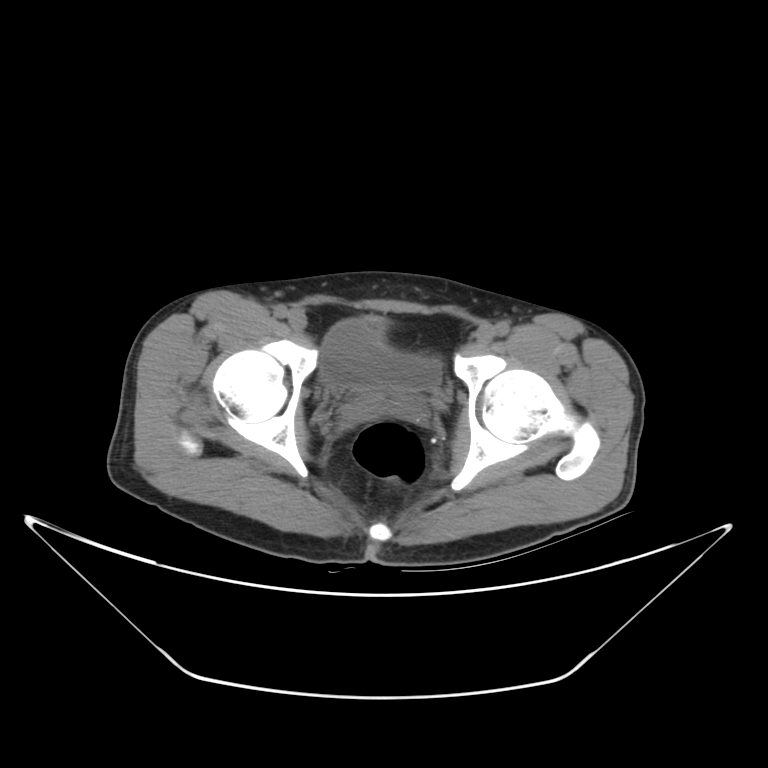

Computed tomography, abdomen · axial view · soft-tissue window (W 400 / L 40) · 31-year-old male patient · 15 organs annotated in this scan (a whole-scan count: organs this slice does not pass through have no box)
Each box given as x1,y1,x2,y2.
bladder: x1=317, y1=317, x2=441, y2=389
prostate/uterus: x1=366, y1=390, x2=406, y2=412